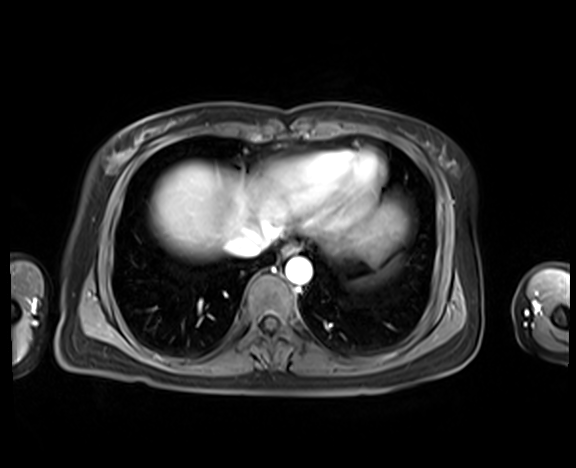

Abdominal MR; axial view; 1st–99th percentile window; 13 organs annotated in this scan (that count is for the whole scan; organs this slice misses have no box)
Coordinates as <box>x1,y1,x2,y2</box> in pixels.
spleen: <box>352,257,402,286</box>
esophagus: <box>282,243,300,256</box>
liver: <box>151,163,406,258</box>
aorta: <box>285,257,311,284</box>
inferior vena cava: <box>227,227,278,257</box>